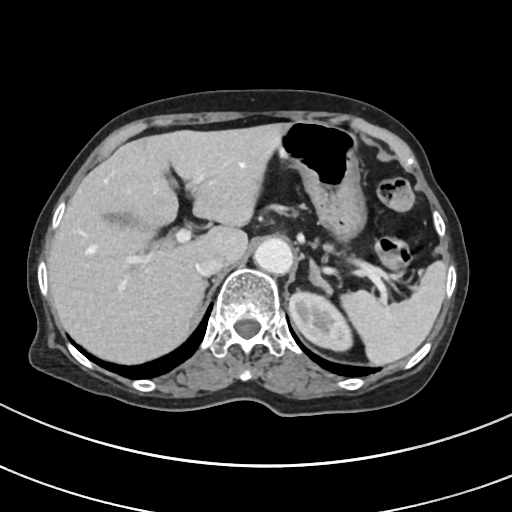

CT, abdomen/pelvis · axial view · soft-tissue window (W 400 / L 40) · 512x512 px · acquired on SOMATOM Force · 15 organs annotated in this scan (a whole-scan count: organs this slice does not pass through have no box)
<organs><organ name="liver" x1="48" y1="123" x2="287" y2="363"/><organ name="right adrenal gland" x1="190" y1="282" x2="208" y2="321"/><organ name="gall bladder" x1="106" y1="212" x2="135" y2="225"/><organ name="inferior vena cava" x1="195" y1="254" x2="226" y2="276"/><organ name="left kidney" x1="289" y1="291" x2="352" y2="350"/><organ name="left adrenal gland" x1="309" y1="259" x2="332" y2="295"/><organ name="spleen" x1="340" y1="261" x2="446" y2="364"/><organ name="aorta" x1="254" y1="238" x2="292" y2="274"/><organ name="stomach" x1="277" y1="121" x2="366" y2="242"/></organs>